Abdominal CT — axial view — soft-tissue window — 512x512 px
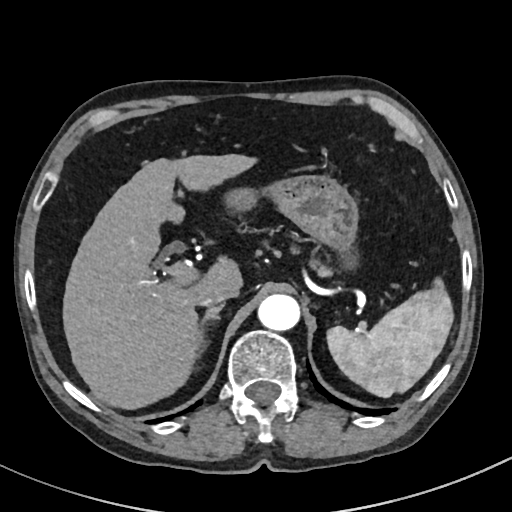
One row per box, in pixels: columns x1 and y1 give the top-left corner, x2 and y2 the bottom-right.
| organ | x1 | y1 | x2 | y2 |
|---|---|---|---|---|
| spleen | 327 | 278 | 454 | 397 |
| liver | 62 | 154 | 252 | 408 |
| stomach | 226 | 174 | 357 | 250 |
| aorta | 259 | 294 | 301 | 330 |
| inferior vena cava | 199 | 286 | 239 | 307 |
| pancreas | 309 | 258 | 331 | 276 |
| right adrenal gland | 196 | 305 | 222 | 345 |